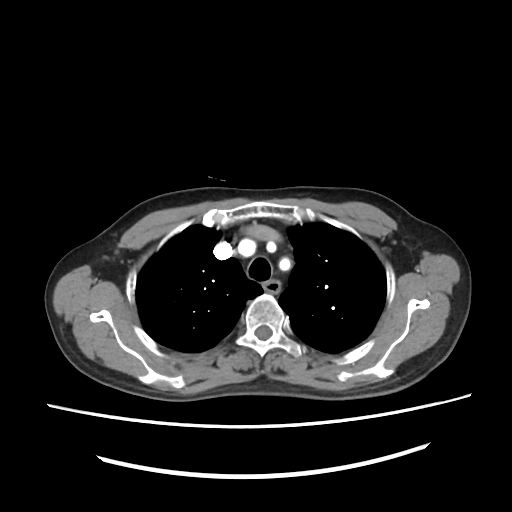

CT of the abdomen extending into the chest, slice through the chest; axial view; W/L 400/40 HU; 512x512 px
At this level of the chest this dataset labels only the esophagus and the aorta, and each is boxed only where it is labeled; the heart and lungs are never labeled.
Boxes: x1:y1:x2:y2 in pixels.
esophagus: 264:281:281:293